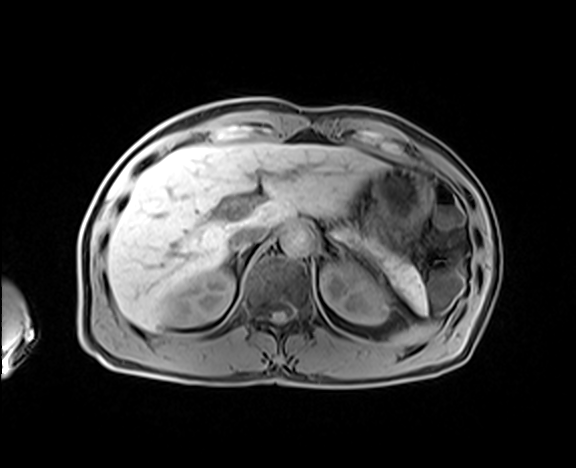
MRI, abdomen — axial view — percentile-normalized — 576x468 px — scan has 13 labeled organs (that count is for the whole scan; organs this slice misses have no box)
Boxes: x1 y1 x2 y2 (pixel coords, space-separated). The annotated organs in this slice are: spleen at 391 323 437 346, right kidney at 174 271 234 325, left kidney at 320 263 388 324, liver at 107 142 385 331, stomach at 367 166 432 252, aorta at 280 225 312 256, inferior vena cava at 229 225 268 248, pancreas at 336 227 430 319, right adrenal gland at 234 247 244 255, left adrenal gland at 329 241 344 252.